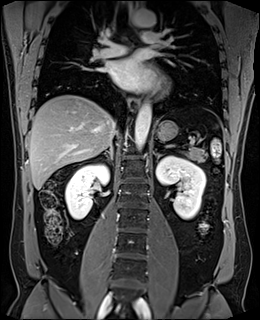

MRI, abdomen; coronal view; 260x320 px; scan has 13 labeled organs (counted over the whole 3D scan, not this slice; an organ is boxed only where this slice passes through it)
Boxes: x1 y1 x2 y2 (pixel coords, space-separated). Labeled organs on this slice: spleen at 215 125 217 127, right kidney at 65 164 109 219, left kidney at 156 155 205 219, esophagus at 128 97 139 110, esophagus at 128 1 138 18, liver at 29 95 118 189, stomach at 156 120 178 141, aorta at 134 101 151 149, aorta at 131 10 156 27, inferior vena cava at 113 120 116 128, pancreas at 184 146 206 161, right adrenal gland at 103 146 112 159, left adrenal gland at 156 154 162 162.